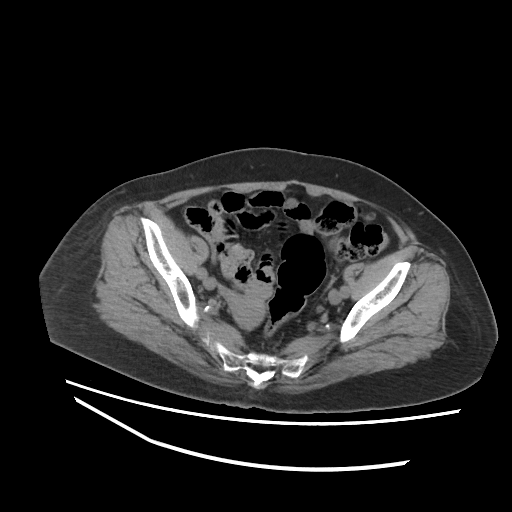

Computed tomography, abdomen — axial plane, index 22 — soft-tissue window
Bounding boxes as [x1, y1, x2, y2] in pixel coordinates.
Organ bounding boxes:
- prostate/uterus: [233, 300, 264, 329]